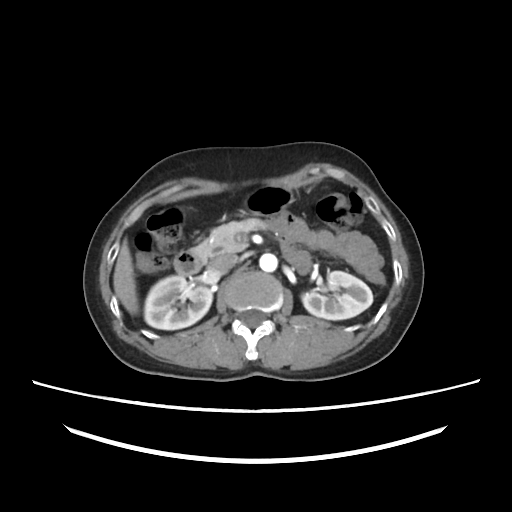 CT, abdomen/pelvis; axial view; 512x512 px; 62-year-old female patient; acquired on Aquilion ONE
Organ boxes in pixel coordinates; each row gives the top-left (x1, y1) and bottom-right (x2, y2) corners.
| organ | x1 | y1 | x2 | y2 |
|---|---|---|---|---|
| right kidney | 144 | 275 | 212 | 329 |
| left kidney | 301 | 271 | 372 | 319 |
| liver | 113 | 240 | 138 | 314 |
| stomach | 244 | 185 | 293 | 216 |
| aorta | 259 | 253 | 277 | 271 |
| inferior vena cava | 208 | 253 | 237 | 275 |
| pancreas | 191 | 218 | 265 | 260 |
| duodenum | 174 | 251 | 203 | 275 |